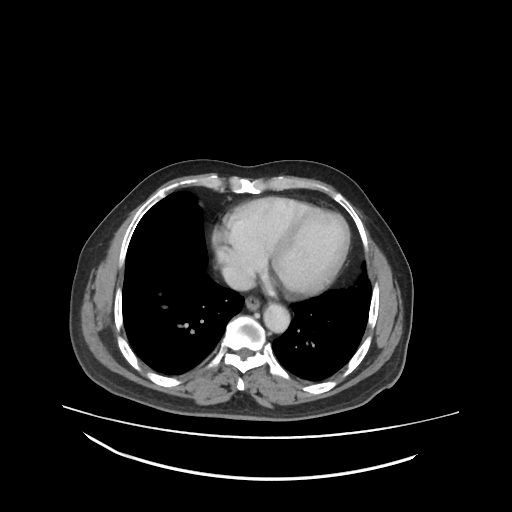

Abdominal CT; this slice is in the lower chest, just above the liver · axial view · soft-tissue window, W/L 400/40
Of the structures in the chest, this dataset labels only the esophagus, the aorta and the inferior vena cava; the heart and lungs have no label.
Boxes: x1 y1 x2 y2 (pixel coords, space-separated).
Organ bounding boxes:
- esophagus: 245 295 259 308
- aorta: 263 303 289 334
- inferior vena cava: 220 265 254 291